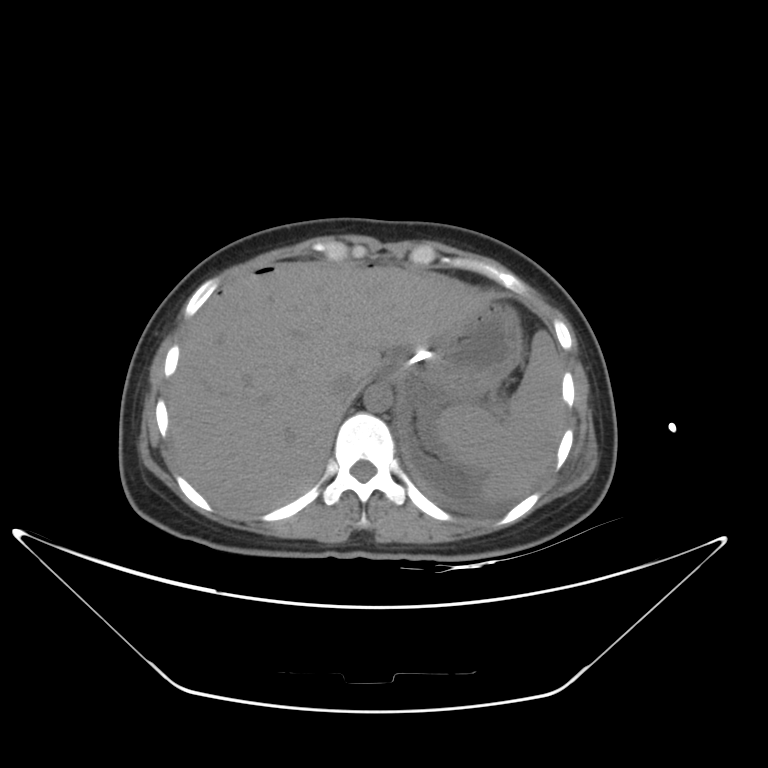
Computed tomography, abdomen; axial view; 768x768 px
<organs><organ name="spleen" x1="437" y1="330" x2="565" y2="500"/><organ name="esophagus" x1="380" y1="353" x2="401" y2="378"/><organ name="liver" x1="168" y1="261" x2="490" y2="516"/><organ name="stomach" x1="399" y1="298" x2="522" y2="400"/><organ name="aorta" x1="363" y1="383" x2="393" y2="412"/><organ name="inferior vena cava" x1="332" y1="373" x2="365" y2="401"/></organs>